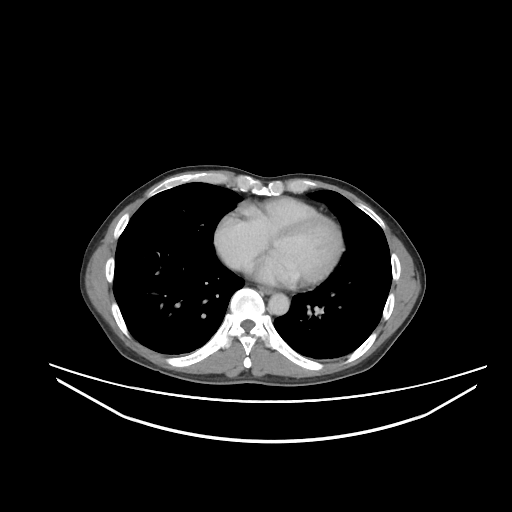

Abdominal CT; this slice is in the lower chest, just above the liver; axial view; 15 organs annotated in this scan (that count is for the whole scan; organs this slice misses have no box)
No part of the heart or lungs is labeled in this dataset, so neither has a box here.
Boxes are (x1, y1, x2, y2) in pixels.
Organ bounding boxes:
- esophagus: (261, 287, 272, 293)
- aorta: (268, 293, 289, 315)